Computed tomography, abdomen; axial view; Aquilion ONE scanner; scan has 15 labeled organs (counted over the whole 3D scan, not this slice; an organ is boxed only where this slice passes through it)
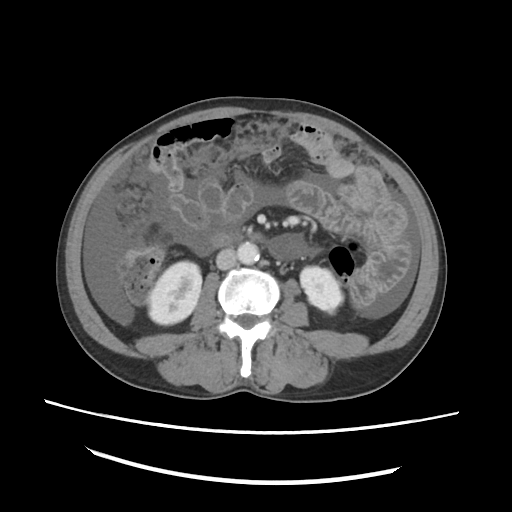

{"organs":{"aorta":[237,242,259,264],"duodenum":[214,235,229,245],"right kidney":[148,261,201,324],"inferior vena cava":[216,248,236,269],"left kidney":[300,266,343,312]}}